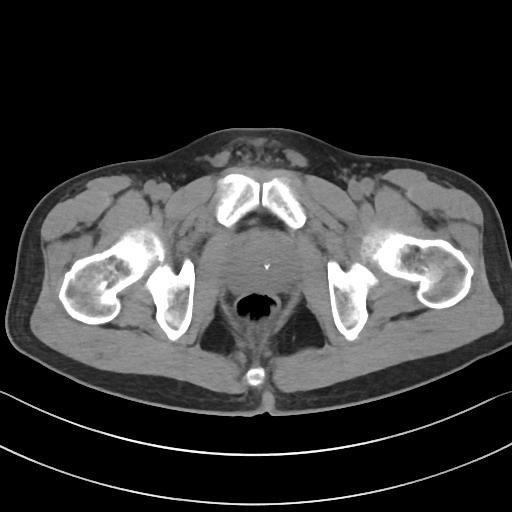

Abdominal CT; axial plane, index 8; abdomen soft-tissue window; 512x512 px; acquired on SOMATOM Force; scan has 15 labeled organs (that count is for the whole scan; organs this slice misses have no box)
Organ boxes in pixel coordinates; each row gives the top-left (x1, y1) and bottom-right (x2, y2) corners.
| organ | x1 | y1 | x2 | y2 |
|---|---|---|---|---|
| prostate/uterus | 227 | 234 | 293 | 292 |